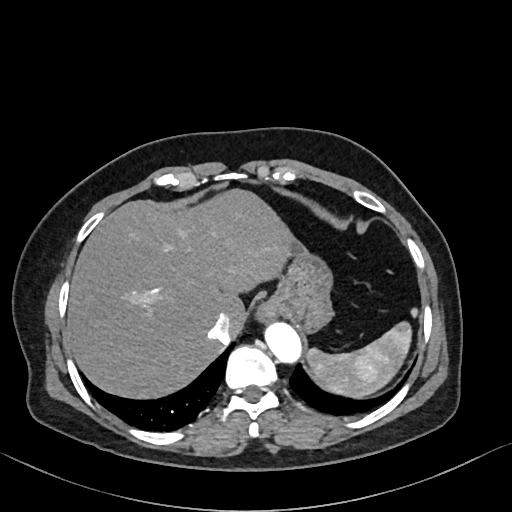
Abdominal CT — Axial slice 186/222
Each box given as x1,y1,x2,y2. The annotated organs in this slice are: spleen at x1=307, y1=321, x2=411, y2=398, esophagus at x1=256, y1=298, x2=282, y2=322, liver at x1=67, y1=189, x2=297, y2=398, stomach at x1=273, y1=247, x2=332, y2=332, aorta at x1=265, y1=322, x2=301, y2=362, inferior vena cava at x1=209, y1=313, x2=232, y2=342.